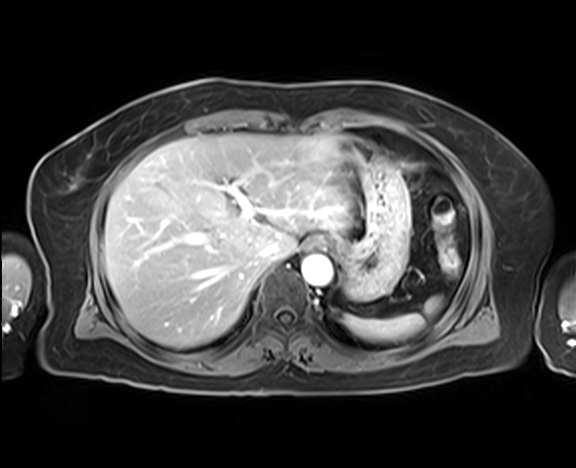

Abdominal MRI · axial view · 576x468 px
{"organs":{"spleen":[343,297,442,340],"esophagus":[307,234,333,248],"liver":[103,133,354,347],"stomach":[333,139,411,301],"aorta":[301,255,332,286],"inferior vena cava":[262,242,279,261]}}